CT abdomen — axial plane, index 105 — 512x512 px — 39-year-old female patient
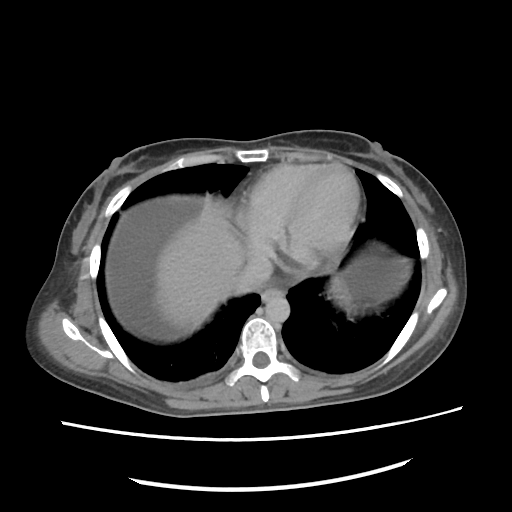
<organs><organ name="esophagus" x1="262" y1="289" x2="283" y2="300"/><organ name="liver" x1="153" y1="216" x2="246" y2="330"/><organ name="stomach" x1="331" y1="279" x2="352" y2="307"/><organ name="aorta" x1="262" y1="296" x2="288" y2="322"/><organ name="inferior vena cava" x1="235" y1="257" x2="272" y2="293"/></organs>